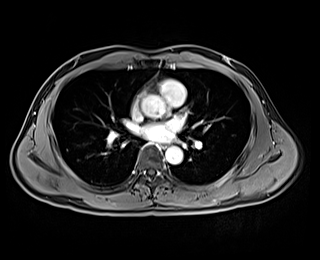
Lower-chest slice from an abdominal MRI, just above the liver and spleen · axial plane, index 71 · percentile-normalized · acquired on Prisma
Of the structures in the chest, this dataset labels only the esophagus, the aorta and the inferior vena cava; the heart and lungs have no label.
Bounding boxes in pixels, one row per box: x1, y1 is the top-left corner and x2, y2 the bottom-right.
| organ | x1 | y1 | x2 | y2 |
|---|---|---|---|---|
| esophagus | 160 | 143 | 168 | 149 |
| aorta | 165 | 146 | 182 | 163 |